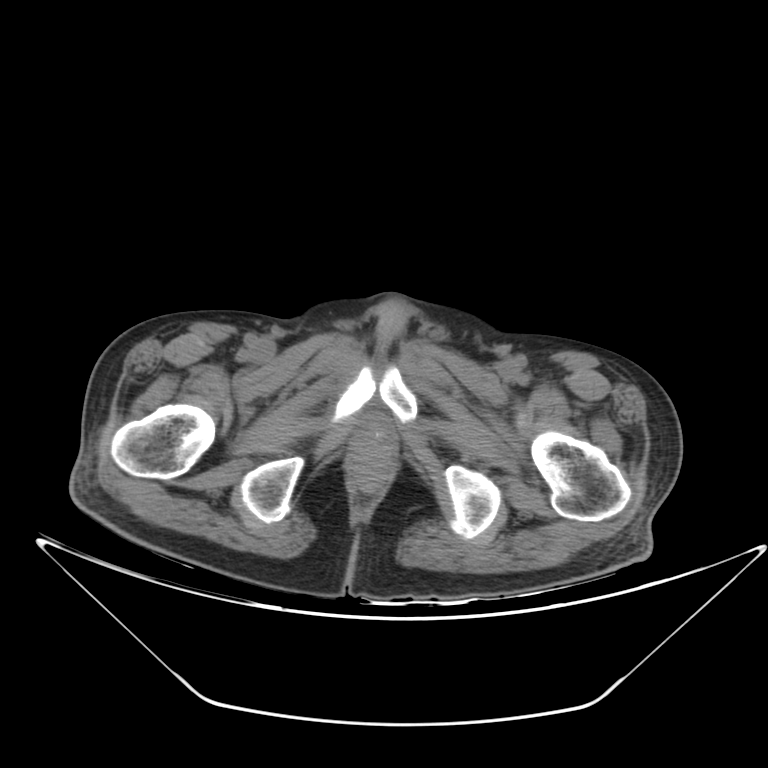 CT, abdomen/pelvis; axial plane, index 10; soft-tissue window (W 400 / L 40); 768x768 px; 69-year-old male patient; acquired on Brilliance16
Box edges are left/top/right/bottom in pixels.
Organ bounding boxes:
- prostate/uterus: left=354, top=418, right=395, bottom=457